CT, abdomen/pelvis. Axial slice 192/202. abdomen soft-tissue window
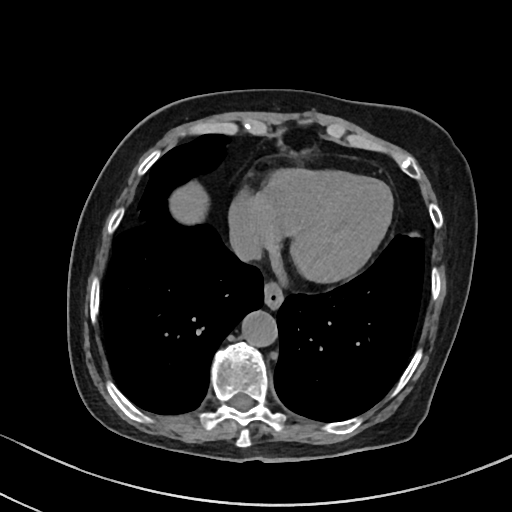 Boxes: x1 y1 x2 y2 (pixel coords, space-separated).
Organ bounding boxes:
- liver: 170 183 206 223
- esophagus: 264 284 283 308
- aorta: 241 310 277 346
- inferior vena cava: 230 225 261 261